CT abdomen — axial view — 512x512 px
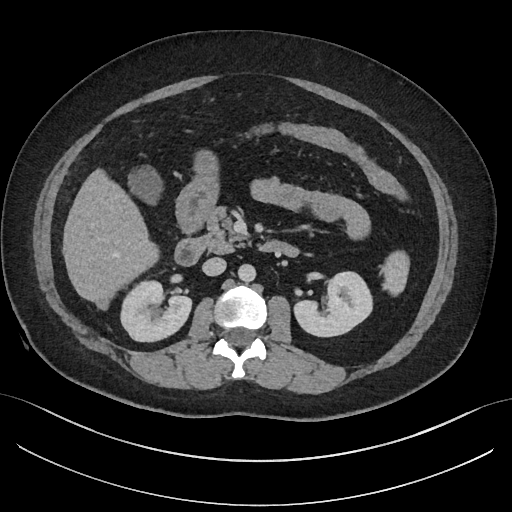
Bounding boxes in pixels, one row per box: x1, y1 is the top-left corner and x2, y2 the bottom-right.
| organ | x1 | y1 | x2 | y2 |
|---|---|---|---|---|
| pancreas | 202 | 208 | 249 | 254 |
| stomach | 175 | 153 | 218 | 235 |
| inferior vena cava | 202 | 257 | 225 | 275 |
| aorta | 238 | 264 | 256 | 281 |
| right kidney | 121 | 282 | 191 | 342 |
| left kidney | 292 | 272 | 371 | 336 |
| spleen | 384 | 248 | 410 | 295 |
| gall bladder | 126 | 166 | 162 | 206 |
| duodenum | 175 | 231 | 298 | 265 |
| liver | 62 | 168 | 158 | 303 |